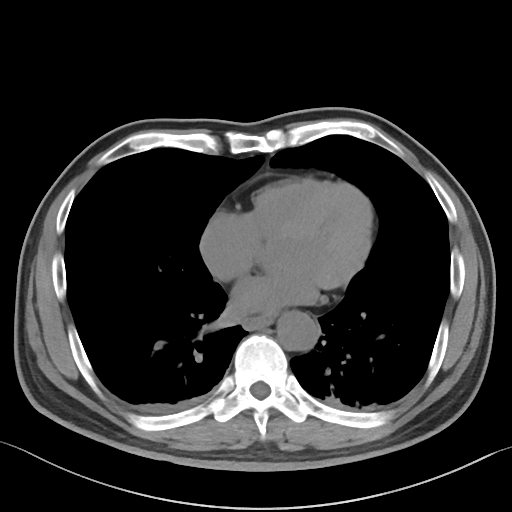
CT of the abdomen reaching into the lower chest, slice just above the liver and spleen — Axial slice 98/101
No part of the heart or lungs is labeled in this dataset, so neither has a box here.
<organs><organ name="esophagus" x1="244" y1="313" x2="274" y2="329"/><organ name="aorta" x1="277" y1="310" x2="319" y2="350"/></organs>